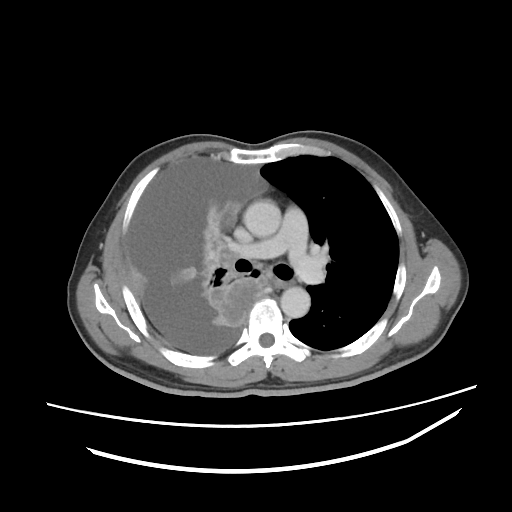

Chest-level CT slice, above the liver and spleen — axial view — scan has 15 labeled organs (a whole-scan count: organs this slice does not pass through have no box)
At this level of the chest this dataset labels only the esophagus and the aorta, and each is boxed only where it is labeled; the heart and lungs are never labeled.
<organs><organ name="esophagus" x1="274" y1="280" x2="289" y2="288"/><organ name="aorta" x1="243" y1="200" x2="281" y2="237"/><organ name="aorta" x1="280" y1="286" x2="310" y2="318"/></organs>